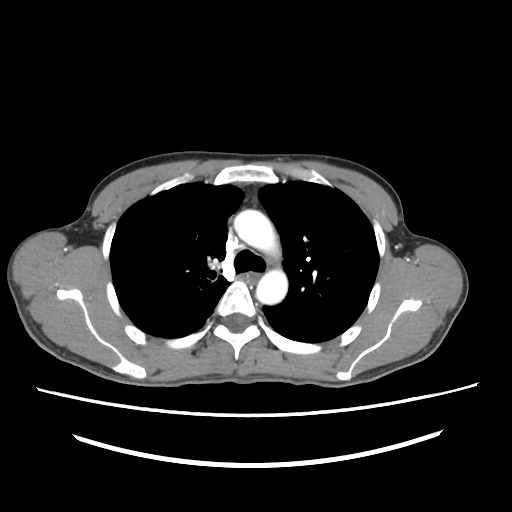
Abdominal CT reaching into the chest; this slice is in the chest. axial view. W/L 400/40 HU
At this level of the chest this dataset labels only the esophagus and the aorta, and each is boxed only where it is labeled; the heart and lungs are never labeled.
{"organs":{"aorta":[[234,209,279,255],[256,269,287,304]]}}